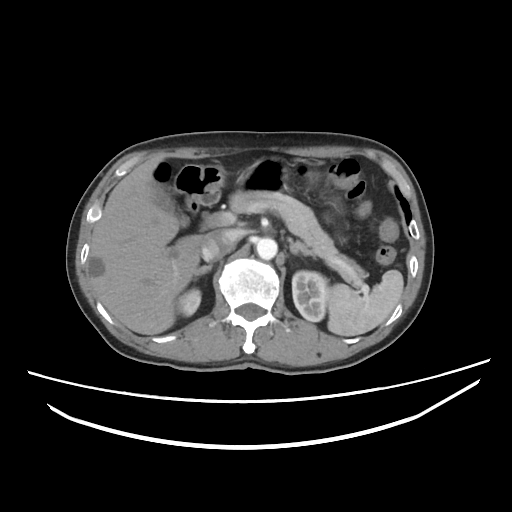

CT, abdomen/pelvis. axial plane, index 39. scan has 13 labeled organs (counted over the whole 3D scan, not this slice; an organ is boxed only where this slice passes through it)
<organs><organ name="spleen" x1="327" y1="269" x2="403" y2="336"/><organ name="right kidney" x1="177" y1="288" x2="201" y2="316"/><organ name="left kidney" x1="292" y1="270" x2="328" y2="321"/><organ name="gall bladder" x1="153" y1="185" x2="189" y2="226"/><organ name="liver" x1="89" y1="156" x2="207" y2="334"/><organ name="stomach" x1="202" y1="156" x2="293" y2="191"/><organ name="aorta" x1="256" y1="238" x2="277" y2="259"/><organ name="inferior vena cava" x1="201" y1="229" x2="236" y2="261"/><organ name="pancreas" x1="229" y1="191" x2="366" y2="287"/><organ name="right adrenal gland" x1="196" y1="264" x2="212" y2="275"/><organ name="left adrenal gland" x1="288" y1="238" x2="314" y2="256"/><organ name="duodenum" x1="174" y1="164" x2="226" y2="211"/></organs>